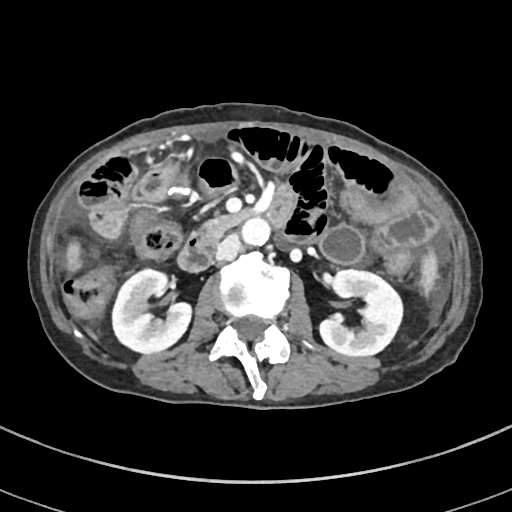 CT, abdomen/pelvis · axial plane, index 113 · abdomen soft-tissue window · 14 organs annotated in this scan (that count is for the whole scan; organs this slice misses have no box)
One row per box, in pixels: columns x1 and y1 give the top-left corner, x2 and y2 the bottom-right.
| organ | x1 | y1 | x2 | y2 |
|---|---|---|---|---|
| liver | 64 | 238 | 85 | 272 |
| inferior vena cava | 214 | 235 | 239 | 261 |
| right kidney | 112 | 269 | 192 | 354 |
| spleen | 422 | 242 | 436 | 296 |
| aorta | 241 | 218 | 270 | 246 |
| pancreas | 199 | 207 | 254 | 240 |
| duodenum | 176 | 184 | 297 | 271 |
| left kidney | 319 | 269 | 402 | 356 |